CT, abdomen/pelvis. Axial slice 12/84. 512x512 px
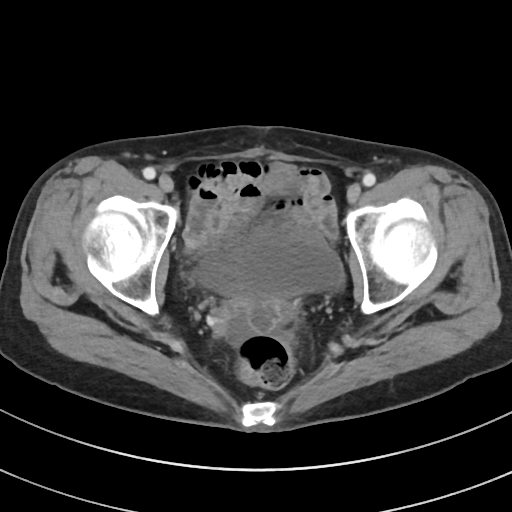 {"organs":{"bladder":[197,224,344,298]}}